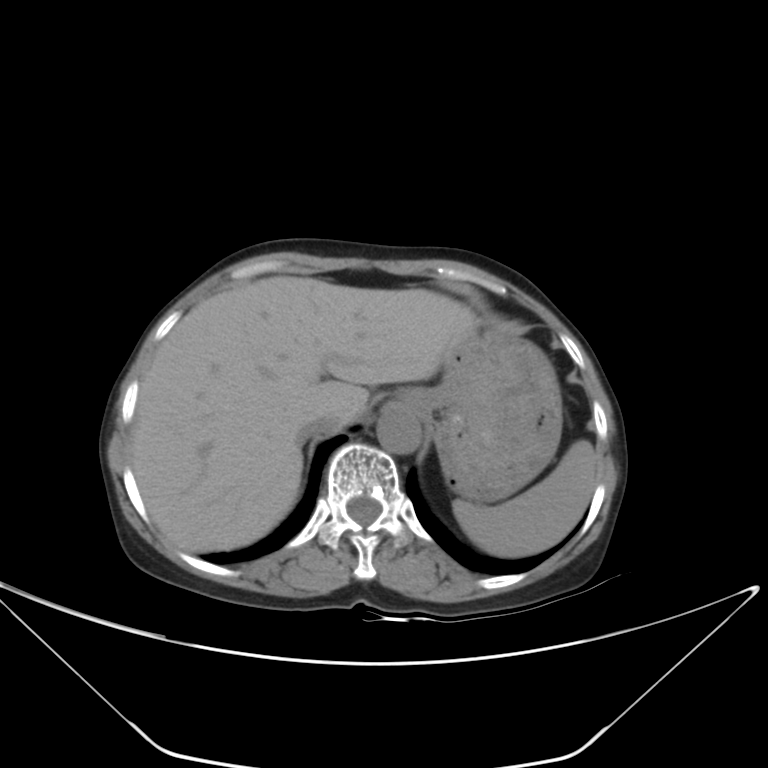

CT abdomen — axial view — scan has 15 labeled organs (a whole-scan count: organs this slice does not pass through have no box)
One row per box, in pixels: columns x1 and y1 give the top-left corner, x2 and y2 the bottom-right.
| organ | x1 | y1 | x2 | y2 |
|---|---|---|---|---|
| spleen | 452 | 440 | 596 | 557 |
| liver | 130 | 275 | 480 | 551 |
| stomach | 398 | 325 | 562 | 503 |
| aorta | 376 | 408 | 420 | 454 |
| inferior vena cava | 293 | 420 | 340 | 449 |